CT, abdomen/pelvis. axial view
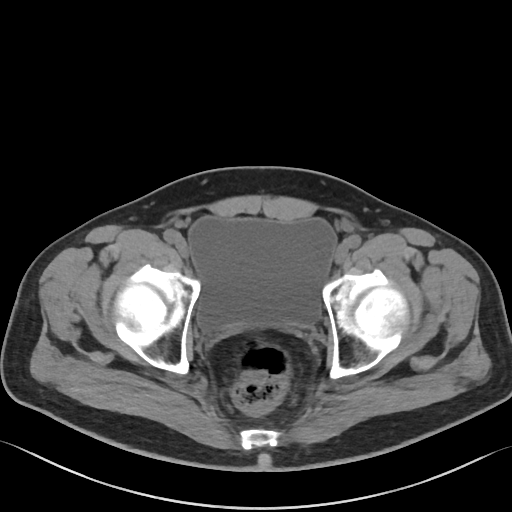
<organs><organ name="bladder" x1="189" y1="216" x2="336" y2="328"/></organs>